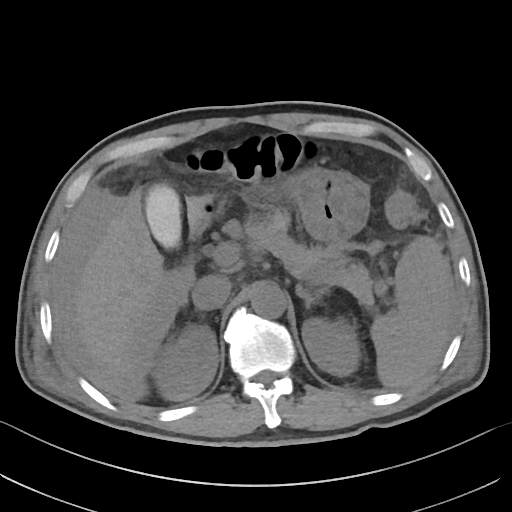
CT abdomen; axial view; soft-tissue window; 512x512 px; 15 organs annotated in this scan (a whole-scan count: organs this slice does not pass through have no box)
<organs><organ name="spleen" x1="370" y1="236" x2="450" y2="388"/><organ name="right kidney" x1="152" y1="324" x2="218" y2="400"/><organ name="left kidney" x1="301" y1="317" x2="360" y2="376"/><organ name="gall bladder" x1="145" y1="184" x2="180" y2="247"/><organ name="liver" x1="77" y1="188" x2="289" y2="374"/><organ name="stomach" x1="201" y1="168" x2="368" y2="242"/><organ name="aorta" x1="251" y1="284" x2="286" y2="318"/><organ name="inferior vena cava" x1="191" y1="275" x2="231" y2="310"/><organ name="pancreas" x1="244" y1="220" x2="373" y2="304"/><organ name="left adrenal gland" x1="296" y1="284" x2="328" y2="308"/><organ name="duodenum" x1="178" y1="218" x2="208" y2="288"/></organs>